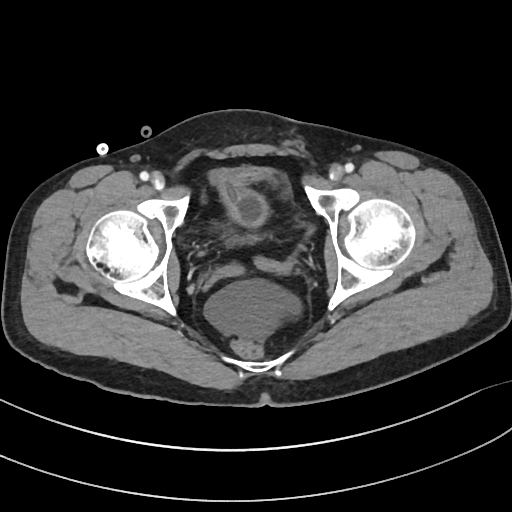 CT abdomen · axial view · abdomen soft-tissue window · 512x512 px · scan has 15 labeled organs (a whole-scan count: organs this slice does not pass through have no box)
{"organs":{"bladder":[211,168,271,226]}}